Computed tomography, abdomen — axial plane, index 127 — abdomen soft-tissue window — 512x512 px — 15 organs annotated in this scan (that count is for the whole scan; organs this slice misses have no box)
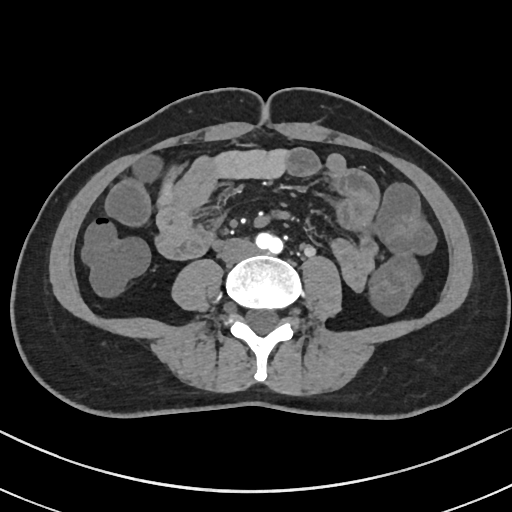 Bounding boxes in pixels, one row per box: x1, y1 is the top-left corner and x2, y2 the bottom-right.
| organ | x1 | y1 | x2 | y2 |
|---|---|---|---|---|
| inferior vena cava | 220 | 238 | 256 | 263 |
| duodenum | 206 | 230 | 213 | 242 |